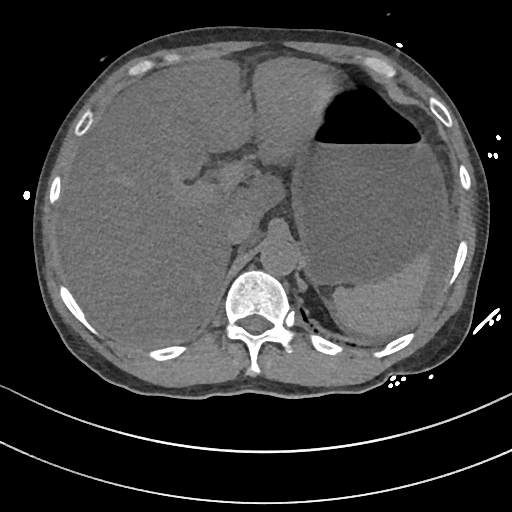 CT, abdomen/pelvis. Axial slice 195/252. abdomen soft-tissue window
<organs><organ name="spleen" x1="333" y1="252" x2="431" y2="338"/><organ name="liver" x1="59" y1="56" x2="329" y2="345"/><organ name="stomach" x1="292" y1="85" x2="448" y2="286"/><organ name="aorta" x1="260" y1="238" x2="298" y2="274"/><organ name="inferior vena cava" x1="224" y1="216" x2="251" y2="244"/></organs>